Computed tomography, abdomen — axial view — 43-year-old female patient
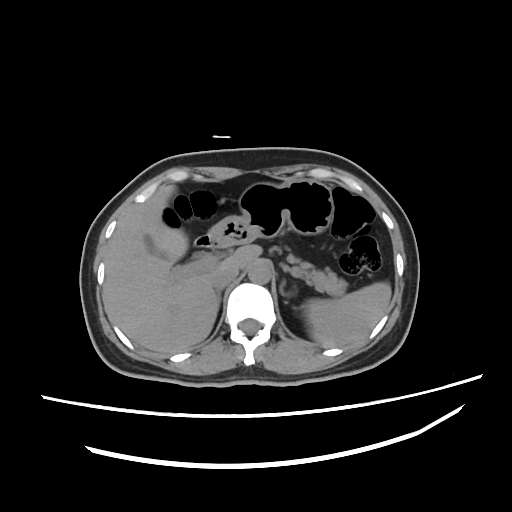 Boxes: x1 y1 x2 y2 (pixel coords, space-separated).
spleen: 306 282 392 348
gall bladder: 143 236 165 256
liver: 103 184 262 354
stomach: 207 181 332 246
aorta: 247 257 273 283
inferior vena cava: 211 265 238 291
pancreas: 269 245 346 295
right adrenal gland: 218 290 221 304
left adrenal gland: 279 283 284 295
duodenum: 193 236 227 248